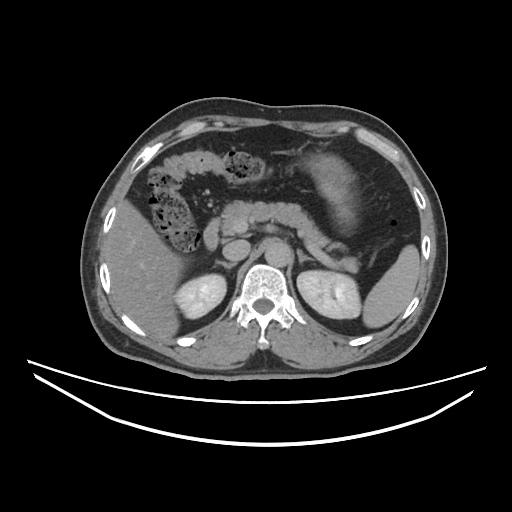
Abdominal CT · axial view · W/L 400/40 HU
<organs><organ name="spleen" x1="362" y1="245" x2="419" y2="327"/><organ name="right kidney" x1="174" y1="274" x2="227" y2="319"/><organ name="left kidney" x1="296" y1="270" x2="360" y2="319"/><organ name="liver" x1="106" y1="200" x2="183" y2="337"/><organ name="stomach" x1="304" y1="150" x2="354" y2="225"/><organ name="aorta" x1="264" y1="243" x2="291" y2="268"/><organ name="inferior vena cava" x1="223" y1="240" x2="250" y2="260"/><organ name="pancreas" x1="221" y1="200" x2="358" y2="272"/><organ name="right adrenal gland" x1="217" y1="261" x2="235" y2="269"/><organ name="left adrenal gland" x1="296" y1="249" x2="313" y2="262"/><organ name="duodenum" x1="203" y1="218" x2="218" y2="249"/></organs>